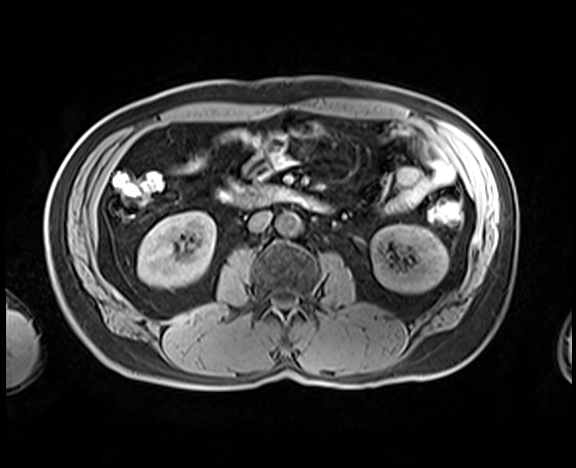

Abdominal MRI — axial plane, index 12 — percentile-normalized
One row per box, in pixels: columns x1 and y1 give the top-left corner, x2 and y2 the bottom-right.
| organ | x1 | y1 | x2 | y2 |
|---|---|---|---|---|
| right kidney | 138 | 211 | 215 | 287 |
| left kidney | 371 | 224 | 448 | 293 |
| aorta | 276 | 212 | 301 | 235 |
| inferior vena cava | 248 | 211 | 271 | 232 |
| duodenum | 241 | 186 | 330 | 214 |